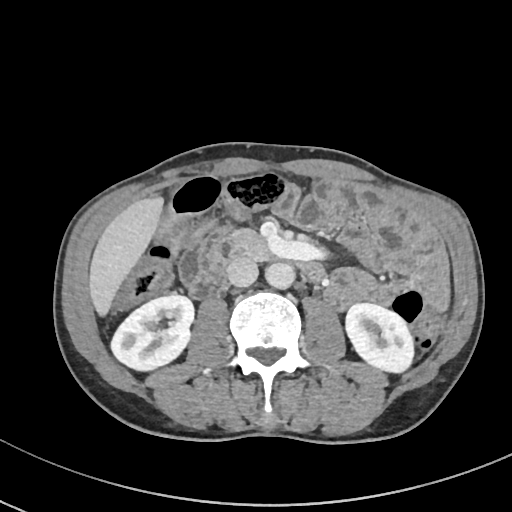

Computed tomography, abdomen. axial view
Boxes are (x1, y1, x2, y2) in pixels.
inferior vena cava: (227, 258, 258, 286)
left kidney: (346, 303, 413, 375)
duodenum: (207, 236, 323, 280)
liver: (90, 196, 163, 312)
right kidney: (111, 294, 194, 369)
pancreas: (235, 230, 274, 260)
aorta: (265, 261, 294, 288)